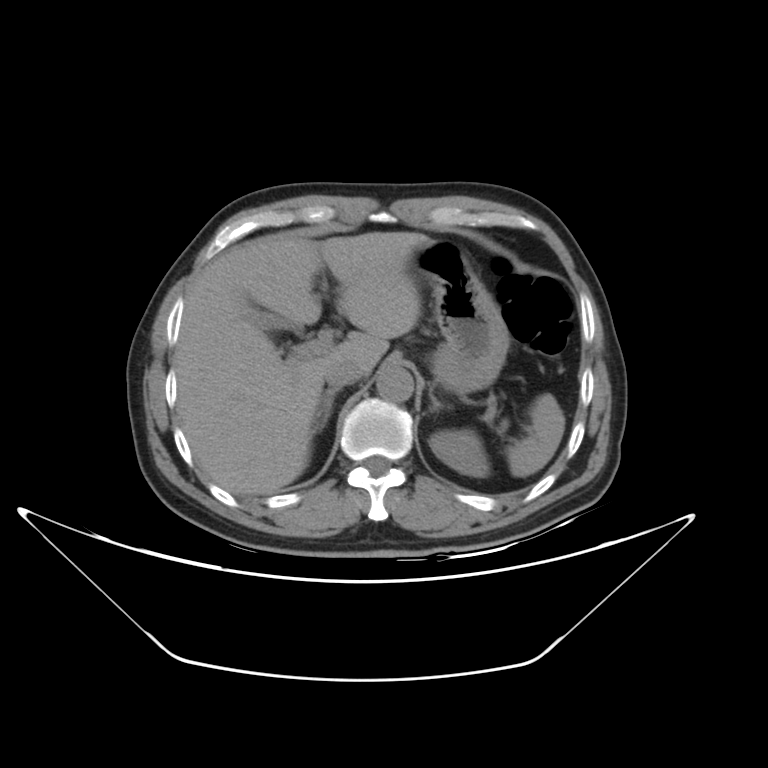
CT abdomen; axial view; abdomen soft-tissue window; 768x768 px; 71-year-old male patient
<organs><organ name="gall bladder" x1="229" y1="289" x2="317" y2="343"/><organ name="spleen" x1="506" y1="395" x2="563" y2="478"/><organ name="liver" x1="172" y1="230" x2="434" y2="497"/><organ name="left kidney" x1="432" y1="430" x2="488" y2="473"/><organ name="aorta" x1="376" y1="367" x2="412" y2="402"/><organ name="left adrenal gland" x1="426" y1="391" x2="450" y2="416"/><organ name="pancreas" x1="495" y1="419" x2="511" y2="433"/><organ name="right adrenal gland" x1="316" y1="384" x2="342" y2="429"/><organ name="inferior vena cava" x1="323" y1="360" x2="363" y2="385"/><organ name="stomach" x1="404" y1="240" x2="510" y2="391"/></organs>